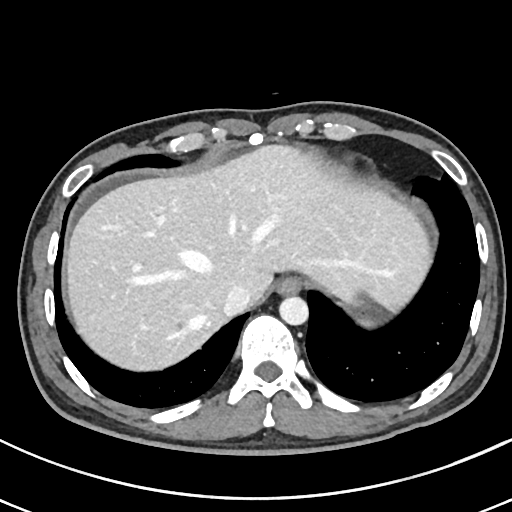 CT abdomen. axial view. W/L 400/40 HU
<organs><organ name="spleen" x1="357" y1="319" x2="378" y2="327"/><organ name="esophagus" x1="276" y1="277" x2="301" y2="295"/><organ name="liver" x1="67" y1="145" x2="429" y2="371"/><organ name="aorta" x1="280" y1="295" x2="309" y2="325"/><organ name="inferior vena cava" x1="222" y1="285" x2="252" y2="315"/></organs>